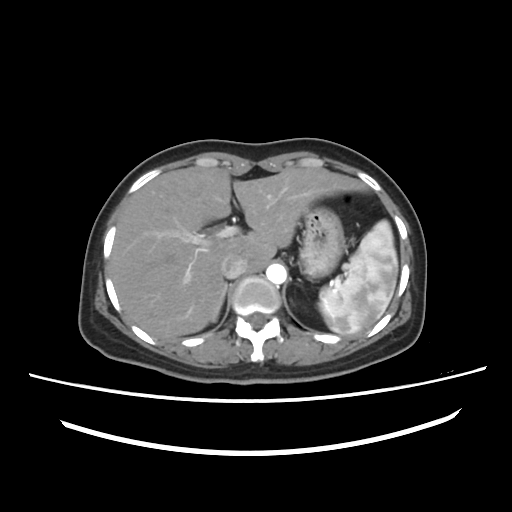
CT abdomen — axial plane, index 77 — abdomen soft-tissue window — 45-year-old female patient
Box edges are left/top/right/bottom in pixels.
spleen: left=319, top=220, right=397, bottom=334
liver: left=110, top=167, right=364, bottom=339
stomach: left=300, top=203, right=344, bottom=276
aorta: left=266, top=263, right=286, bottom=283
inferior vena cava: left=221, top=255, right=246, bottom=278
right adrenal gland: left=214, top=283, right=227, bottom=321